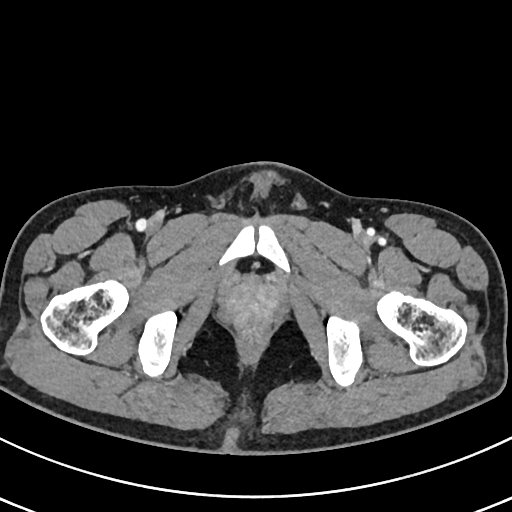 CT, abdomen/pelvis — Axial slice 10/218 — 512x512 px — 15 organs annotated in this scan (counted over the whole 3D scan, not this slice; an organ is boxed only where this slice passes through it)
{"organs":{"prostate/uterus":[227,281,278,320]}}